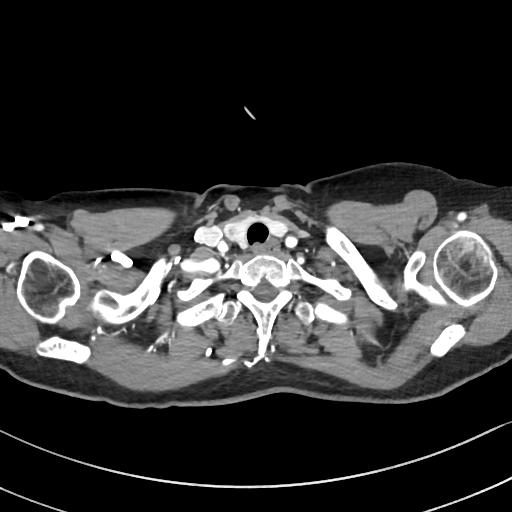
Chest-level CT slice, above the liver and spleen. axial plane, index 284. W/L 400/40 HU. SOMATOM Force scanner
At this level of the chest no structure but the esophagus and the aorta has a label in this dataset, and those two are boxed only where they are labeled.
<organs><organ name="esophagus" x1="253" y1="239" x2="278" y2="254"/></organs>